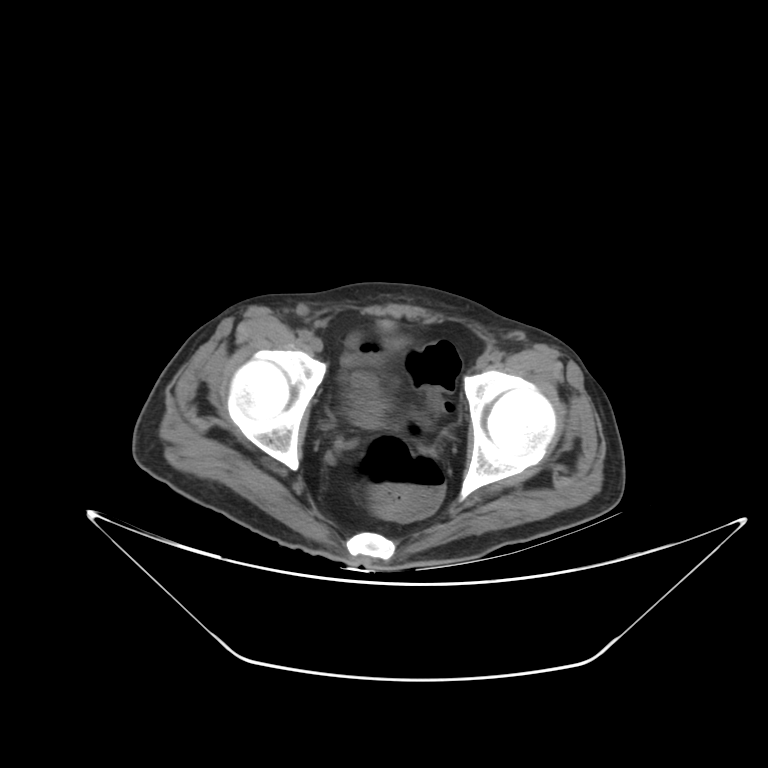

Abdominal CT; Axial slice 18/101; 55-year-old male patient; Brilliance16 scanner
Bounding boxes as [x1, y1, x2, y2] in pixel coordinates.
bladder: [351, 389, 383, 427]